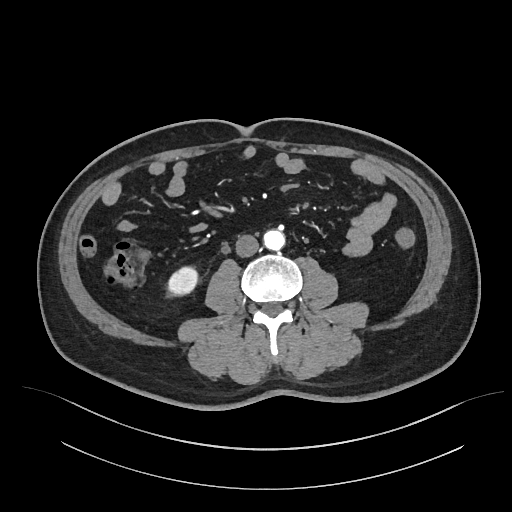 CT abdomen; axial view; acquired on SOMATOM Force
One row per box, in pixels: columns x1 and y1 give the top-left corner, x2 and y2 the bottom-right.
| organ | x1 | y1 | x2 | y2 |
|---|---|---|---|---|
| right kidney | 167 | 268 | 197 | 294 |
| inferior vena cava | 235 | 234 | 259 | 257 |
| aorta | 263 | 229 | 284 | 250 |